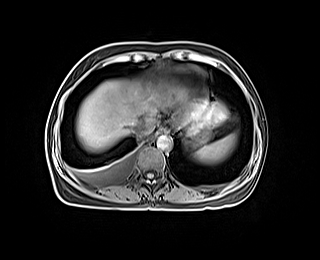

MRI, abdomen. axial view
Boxes: x1 y1 x2 y2 (pixel coords, space-separated). Labeled organs on this slice: spleen at 194 133 237 163, esophagus at 157 127 168 133, stomach at 184 126 212 148, inferior vena cava at 132 120 153 137, liver at 76 80 227 151, aorta at 157 135 171 149.